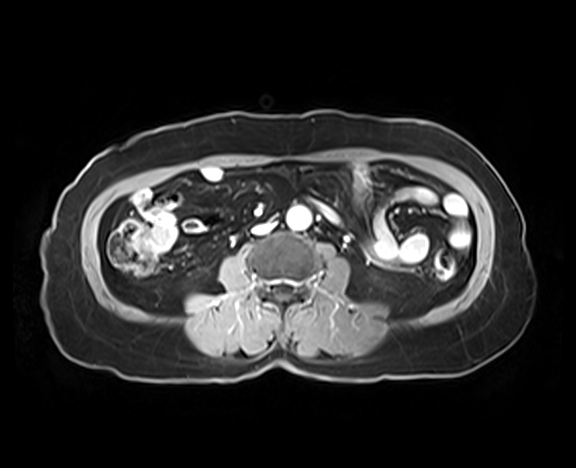 MRI, abdomen · Axial slice 2/72 · 576x468 px · 13 organs annotated in this scan (counted over the whole 3D scan, not this slice; an organ is boxed only where this slice passes through it)
Box edges are left/top/right/bottom in pixels.
aorta: left=286, top=205, right=311, bottom=229
inferior vena cava: left=252, top=223, right=273, bottom=234